CT, abdomen/pelvis · axial view · 512x512 px
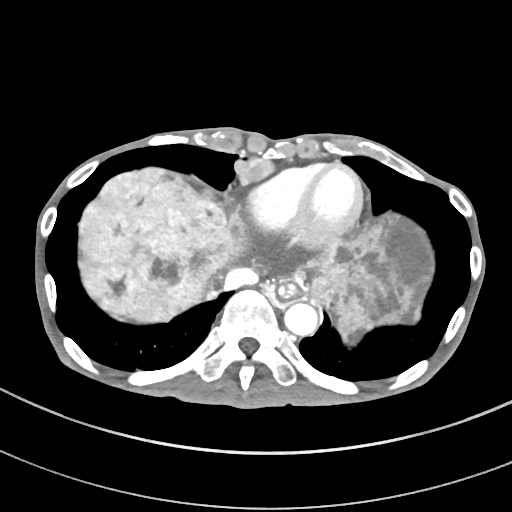
Bounding boxes as [x1, y1, x2, y2] in pixel coordinates.
esophagus: [279, 280, 296, 299]
liver: [78, 166, 434, 346]
aorta: [284, 302, 318, 336]
inferior vena cava: [225, 267, 258, 289]